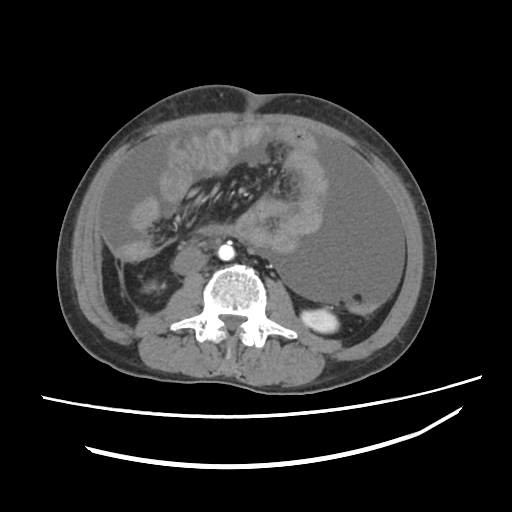 CT abdomen. Axial slice 59/103. soft-tissue window. 50-year-old male patient. Aquilion ONE scanner
Organ boxes in pixel coordinates; each row gives the top-left (x1, y1) and bottom-right (x2, y2) corners.
| organ | x1 | y1 | x2 | y2 |
|---|---|---|---|---|
| liver | 94 | 123 | 310 | 289 |
| inferior vena cava | 175 | 249 | 205 | 275 |
| right kidney | 145 | 282 | 156 | 289 |
| left kidney | 301 | 308 | 339 | 332 |
| aorta | 218 | 242 | 234 | 260 |